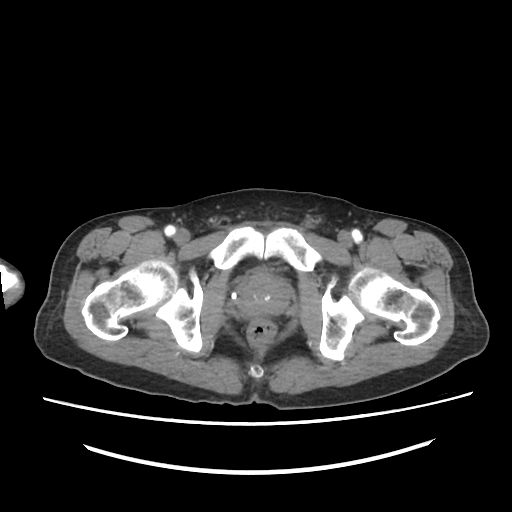

Computed tomography, abdomen; axial plane, index 16; 512x512 px; Aquilion ONE scanner
Box edges are left/top/right/bottom in pixels.
prostate/uterus: left=233, top=274, right=289, bottom=317